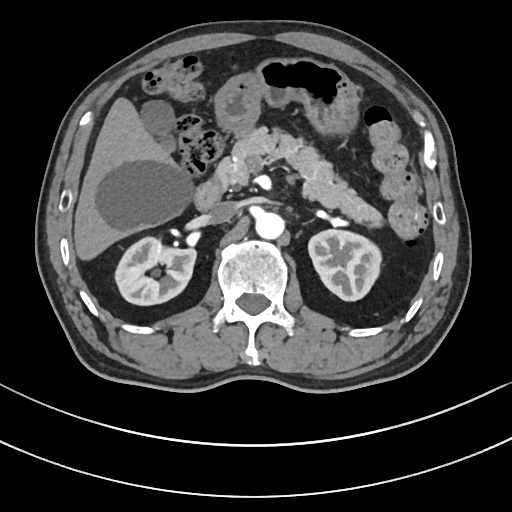

Abdominal CT; axial view; abdomen soft-tissue window
Boxes: x1 y1 x2 y2 (pixel coords, space-separated).
Organ bounding boxes:
- right kidney: 114 236 195 305
- left kidney: 308 228 381 300
- gall bladder: 140 101 175 151
- liver: 74 99 194 258
- stomach: 215 55 356 133
- aorta: 255 212 284 238
- inferior vena cava: 209 201 236 223
- pancreas: 215 128 379 220
- duodenum: 194 180 223 210